CT of the abdomen reaching into the lower chest, slice just above the liver and spleen; axial view; soft-tissue window; 512x512 px
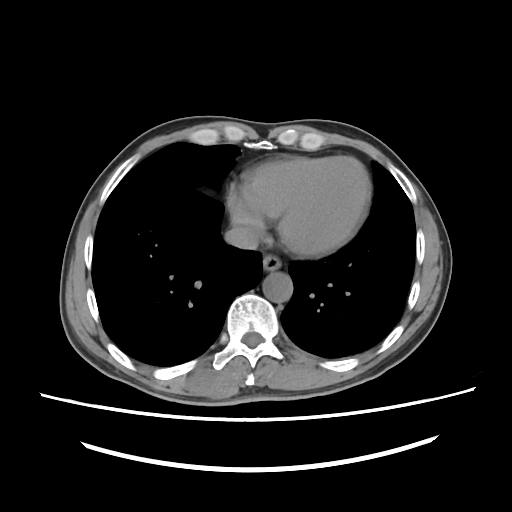
No part of the heart or lungs is labeled in this dataset, so neither has a box here.
{"organs":{"esophagus":[262,256,282,272],"aorta":[262,273,292,302],"inferior vena cava":[224,225,257,249]}}